Lower-chest slice from an abdominal CT, just above the liver and spleen. Axial slice 214/294. soft-tissue window (W 400 / L 40)
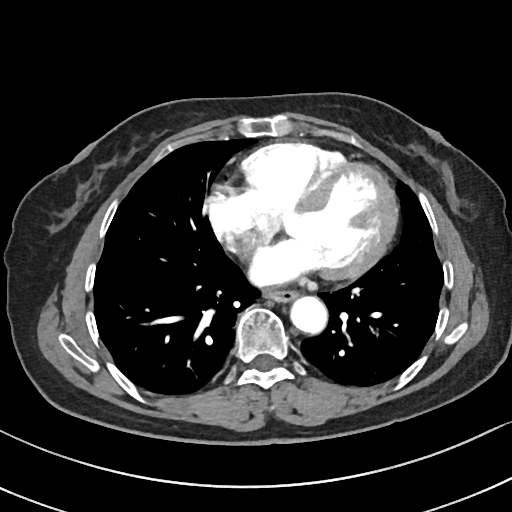
No part of the heart or lungs is labeled in this dataset, so neither has a box here.
<organs><organ name="esophagus" x1="263" y1="289" x2="297" y2="302"/><organ name="aorta" x1="290" y1="296" x2="327" y2="334"/></organs>